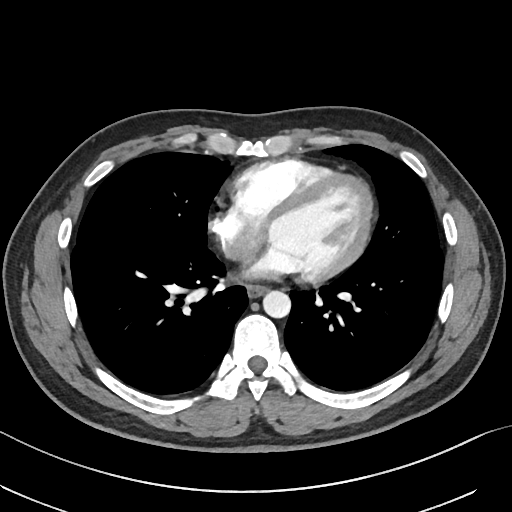

Lower-chest slice from an abdominal CT, just above the liver and spleen · axial view · soft-tissue window
No part of the heart or lungs is labeled in this dataset, so neither has a box here. Bounding boxes as [x1, y1, x2, y2] in pixel coordinates. The annotated organs in this slice are: aorta at [263, 290, 290, 317], esophagus at [246, 285, 267, 297].